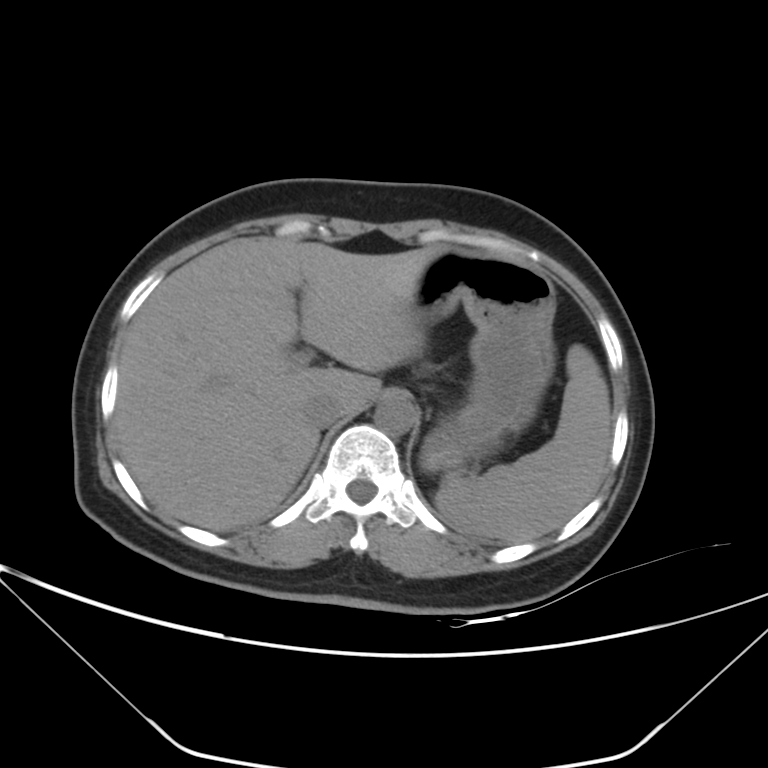

CT, abdomen/pelvis · axial view · soft-tissue window (W 400 / L 40) · Brilliance16 scanner · scan has 15 labeled organs (that count is for the whole scan; organs this slice misses have no box)
Boxes are (x1, y1, x2, y2) in pixels. Labeled organs on this slice: spleen at (434, 345, 611, 542), liver at (113, 238, 444, 531), stomach at (411, 250, 556, 470), aorta at (375, 398, 416, 435), inferior vena cava at (305, 395, 344, 429).